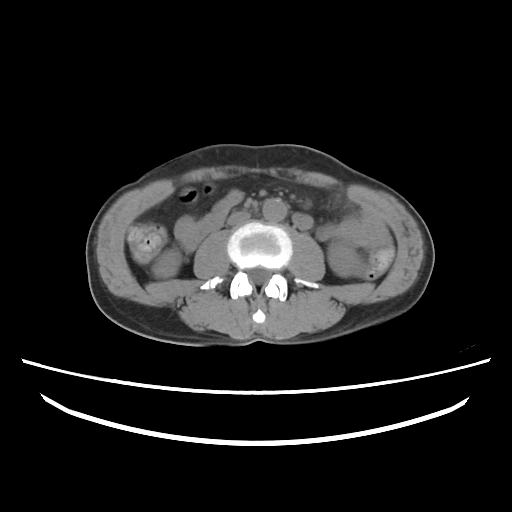 CT, abdomen/pelvis. axial plane, index 54. soft-tissue window (W 400 / L 40). 512x512 px
Organ boxes in pixel coordinates; each row gives the top-left (x1, y1) and bottom-right (x2, y2) corners.
| organ | x1 | y1 | x2 | y2 |
|---|---|---|---|---|
| right kidney | 152 | 250 | 181 | 278 |
| left kidney | 328 | 242 | 359 | 277 |
| aorta | 263 | 198 | 286 | 222 |
| inferior vena cava | 227 | 212 | 250 | 226 |